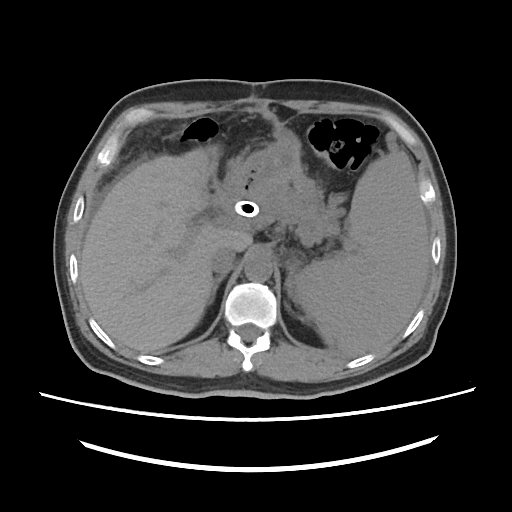 CT, abdomen/pelvis · axial view · soft-tissue window (W 400 / L 40)
Boxes are (x1, y1, x2, y2) in pixels. Labeled organs on this slice: spleen at (294, 151, 429, 352), liver at (80, 147, 252, 352), stomach at (225, 132, 303, 199), aorta at (244, 255, 272, 281), inferior vena cava at (210, 245, 235, 275), pancreas at (255, 178, 339, 237), right adrenal gland at (209, 275, 225, 304), left adrenal gland at (285, 267, 293, 294).